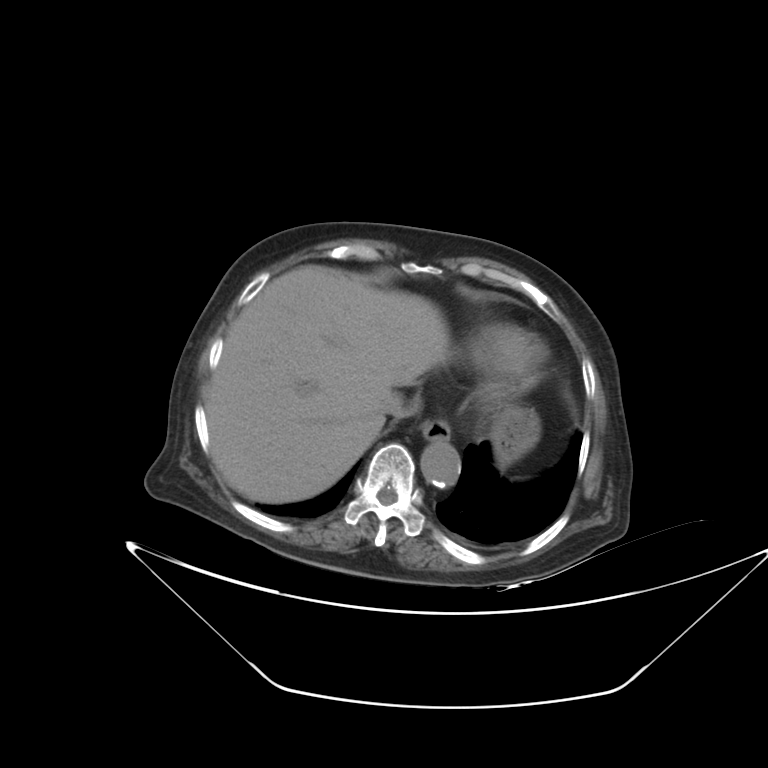

Computed tomography, abdomen. axial view. 768x768 px. Brilliance16 scanner. 15 organs annotated in this scan (that count is for the whole scan; organs this slice misses have no box)
Coordinates as <box>x1,y1,x2,y2</box> in pixels.
esophagus: <box>420,419,450,442</box>
liver: <box>210,265,449,503</box>
stomach: <box>489,405,540,467</box>
aorta: <box>420,442,460,488</box>
inferior vena cava: <box>374,399,419,418</box>